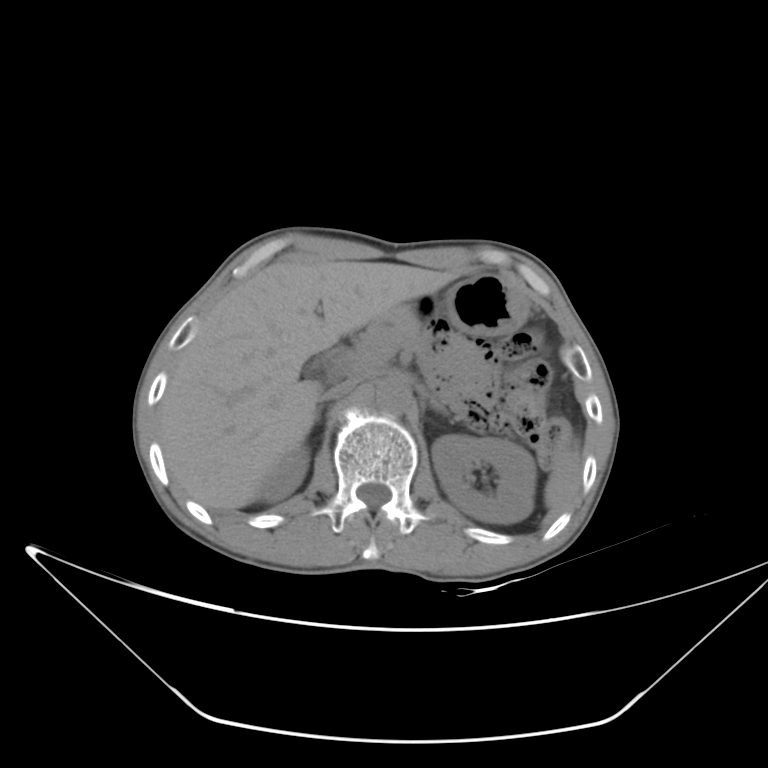 Abdominal CT. axial view. 768x768 px
Each box given as x1,y1,x2,y2.
left kidney: x1=431, y1=434, x2=535, y2=523
stomach: x1=444, y1=274, x2=528, y2=336
aorta: x1=376, y1=378, x2=411, y2=415
right kidney: x1=261, y1=447, x2=309, y2=502
right adrenal gland: x1=314, y1=409, x2=320, y2=423
pancreas: x1=357, y1=307, x2=431, y2=364
spleen: x1=545, y1=447, x2=581, y2=509
inferior vena cava: x1=323, y1=380, x2=355, y2=400
duodenum: x1=325, y1=336, x2=359, y2=370
liver: x1=157, y1=261, x2=457, y2=509